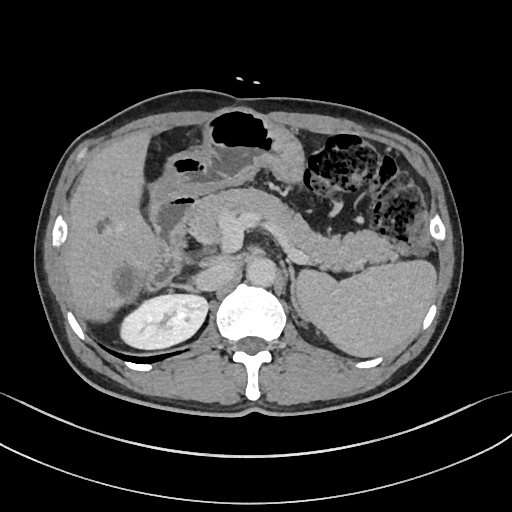 Computed tomography, abdomen · axial view · W/L 400/40 HU · 512x512 px · scan has 14 labeled organs (that count is for the whole scan; organs this slice misses have no box)
<organs><organ name="spleen" x1="298" y1="259" x2="436" y2="356"/><organ name="right kidney" x1="120" y1="294" x2="207" y2="349"/><organ name="liver" x1="65" y1="130" x2="366" y2="357"/><organ name="stomach" x1="151" y1="108" x2="304" y2="200"/><organ name="aorta" x1="246" y1="256" x2="276" y2="286"/><organ name="inferior vena cava" x1="194" y1="261" x2="235" y2="291"/><organ name="pancreas" x1="189" y1="187" x2="395" y2="270"/><organ name="right adrenal gland" x1="171" y1="284" x2="199" y2="292"/><organ name="left adrenal gland" x1="287" y1="259" x2="310" y2="324"/><organ name="duodenum" x1="147" y1="195" x2="196" y2="291"/></organs>